Abdominal CT; this slice is in the lower chest, just above the liver; axial plane, index 89; W/L 400/40 HU; 33-year-old male patient
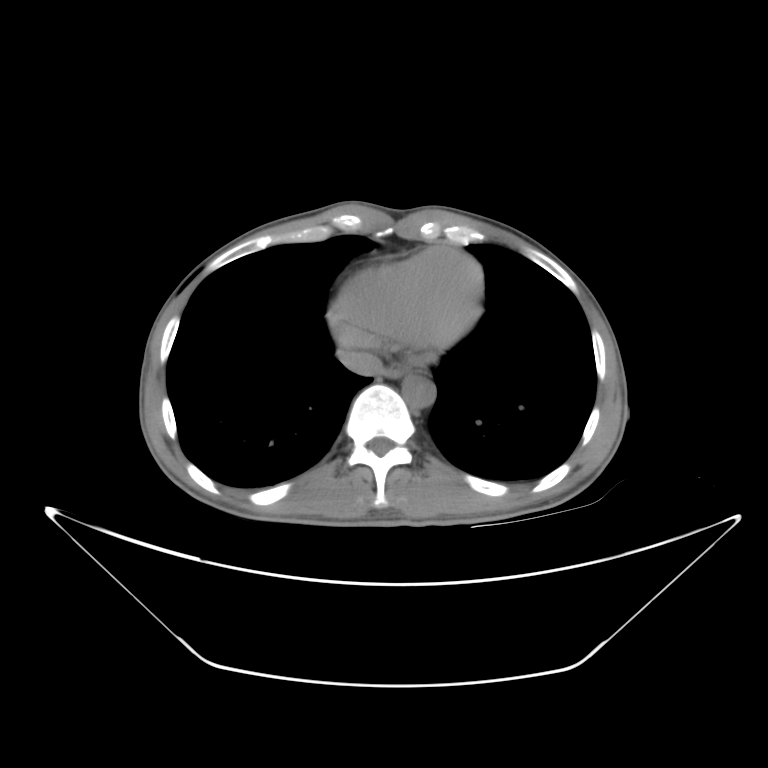
Of the structures in the chest, this dataset labels only the esophagus, the aorta and the inferior vena cava; the heart and lungs have no label.
{"organs":{"esophagus":[382,365,413,379],"aorta":[403,374,437,407],"inferior vena cava":[337,343,385,376]}}